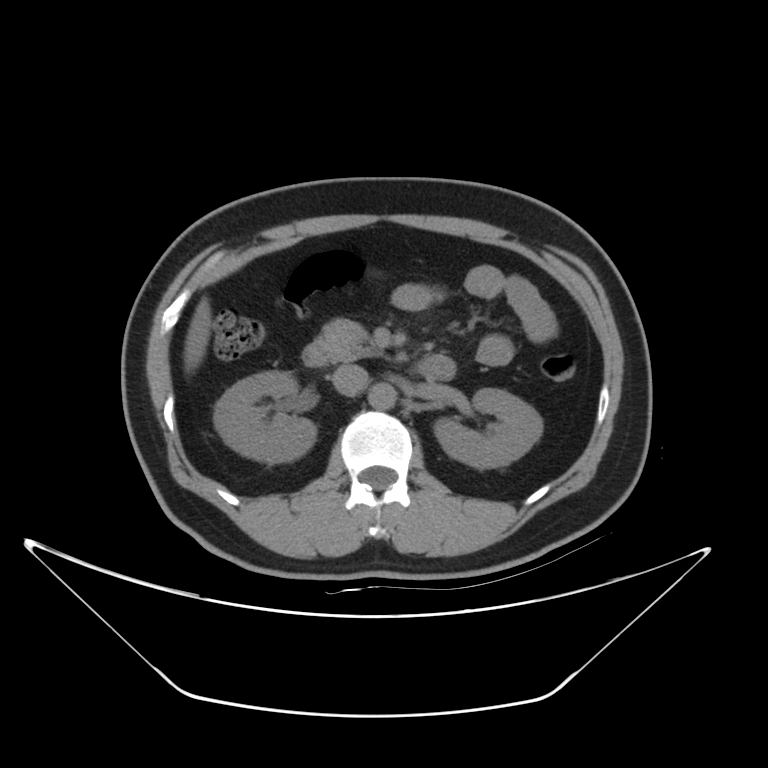
CT abdomen · axial view · W/L 400/40 HU · scan has 15 labeled organs (that count is for the whole scan; organs this slice misses have no box)
Each box given as x1,y1,x2,y2.
right kidney: x1=214, y1=371, x2=316, y2=463
left kidney: x1=434, y1=388, x2=543, y2=468
liver: x1=184, y1=298, x2=212, y2=366
aorta: x1=369, y1=383, x2=396, y2=409
inferior vena cava: x1=332, y1=365, x2=368, y2=396
pancreas: x1=316, y1=318, x2=382, y2=361
duodenum: x1=302, y1=343, x2=456, y2=380